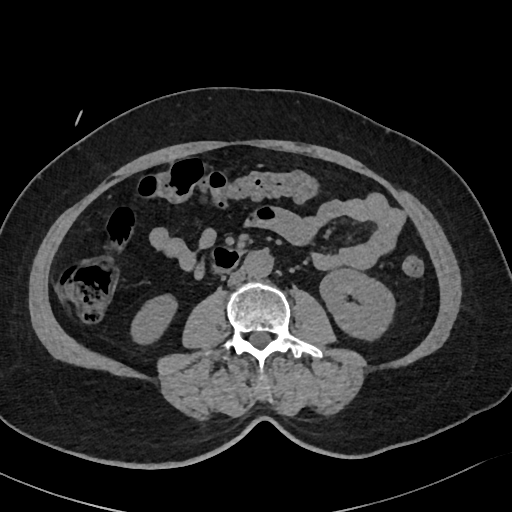
CT abdomen · axial view · abdomen soft-tissue window · 15 organs annotated in this scan (counted over the whole 3D scan, not this slice; an organ is boxed only where this slice passes through it)
<organs><organ name="right kidney" x1="131" y1="296" x2="178" y2="344"/><organ name="duodenum" x1="210" y1="246" x2="242" y2="274"/><organ name="aorta" x1="243" y1="250" x2="272" y2="278"/><organ name="left kidney" x1="319" y1="269" x2="394" y2="341"/><organ name="inferior vena cava" x1="228" y1="270" x2="244" y2="285"/></organs>